CT, abdomen/pelvis. axial view. soft-tissue window
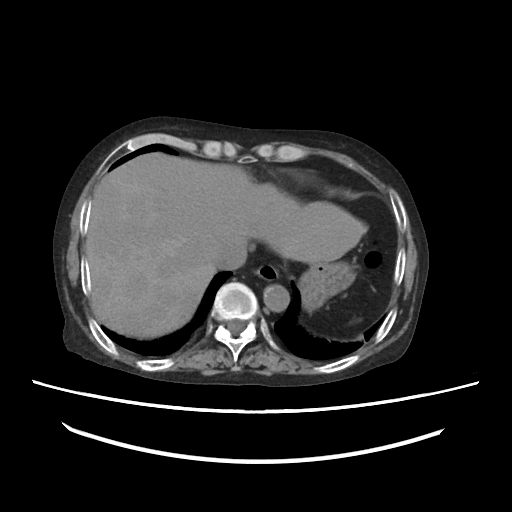

Boxes are (x1, y1, x2, y2) in pixels. Labeled organs on this slice: esophagus at (255, 264, 278, 281), liver at (87, 152, 367, 338), stomach at (299, 261, 355, 310), aorta at (263, 284, 289, 311), inferior vena cava at (214, 243, 247, 269).